Abdominal MR. Axial slice 58/72. 1st–99th percentile window. 576x468 px
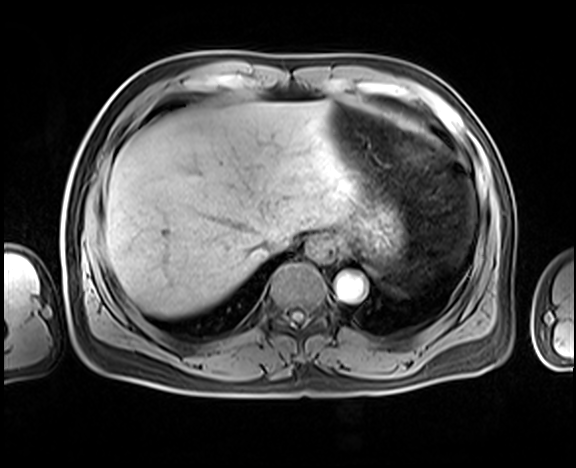 <organs><organ name="esophagus" x1="302" y1="237" x2="338" y2="265"/><organ name="liver" x1="105" y1="101" x2="358" y2="316"/><organ name="stomach" x1="331" y1="111" x2="404" y2="263"/><organ name="aorta" x1="336" y1="273" x2="366" y2="301"/><organ name="inferior vena cava" x1="259" y1="232" x2="295" y2="254"/></organs>